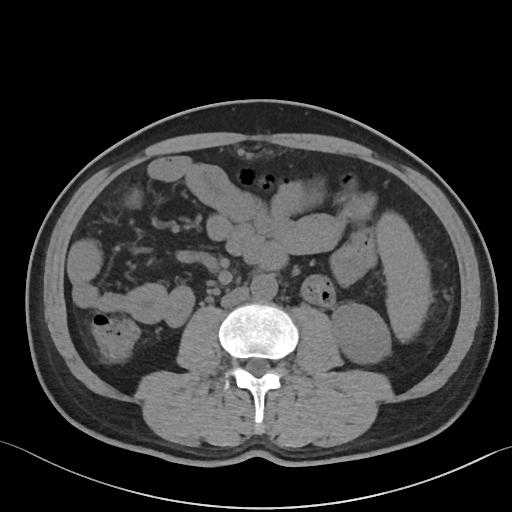

Computed tomography, abdomen · Axial slice 57/101 · soft-tissue window (W 400 / L 40) · 512x512 px
<organs><organ name="aorta" x1="250" y1="274" x2="277" y2="301"/><organ name="left kidney" x1="332" y1="303" x2="390" y2="363"/><organ name="inferior vena cava" x1="221" y1="287" x2="248" y2="307"/><organ name="spleen" x1="376" y1="211" x2="431" y2="342"/></organs>